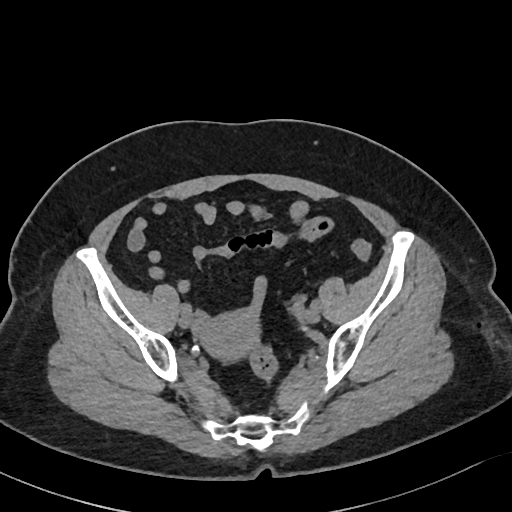
CT abdomen; axial view; 15 organs annotated in this scan (that count is for the whole scan; organs this slice misses have no box)
Bounding boxes as [x1, y1, x2, y2] in pixel coordinates.
Organ bounding boxes:
- prostate/uterus: [196, 311, 256, 360]